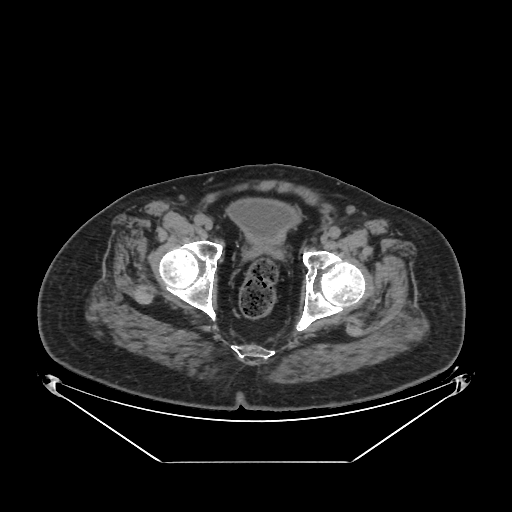

Abdominal CT — Axial slice 45/353 — 512x512 px
Bounding boxes in pixels, one row per box: x1, y1 is the top-left corner and x2, y2 the bottom-right.
| organ | x1 | y1 | x2 | y2 |
|---|---|---|---|---|
| bladder | 227 | 200 | 299 | 242 |
| prostate/uterus | 252 | 243 | 273 | 253 |